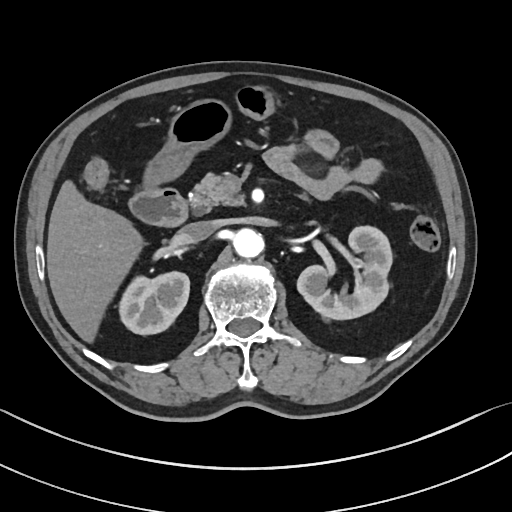 CT abdomen · Axial slice 153/306
Each box given as x1,y1,x2,y2.
pancreas: x1=189, y1=174, x2=243, y2=213
right kidney: x1=119, y1=271, x2=189, y2=334
duodenum: x1=131, y1=189, x2=189, y2=227
left kidney: x1=297, y1=225, x2=393, y2=318
stomach: x1=144, y1=100, x2=229, y2=186
liver: x1=47, y1=183, x2=139, y2=340
aorta: x1=233, y1=227, x2=263, y2=256
inferior vena cava: x1=179, y1=221, x2=216, y2=242